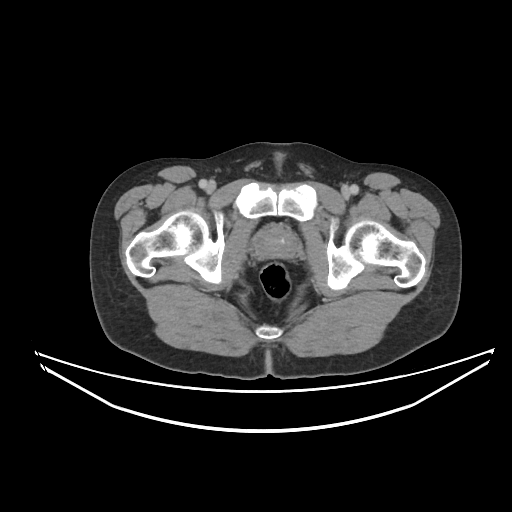
Abdominal CT; axial plane, index 9; acquired on Aquilion ONE
Boxes: x1:y1:x2:y2 in pixels.
Organ bounding boxes:
- prostate/uterus: 256:228:296:258